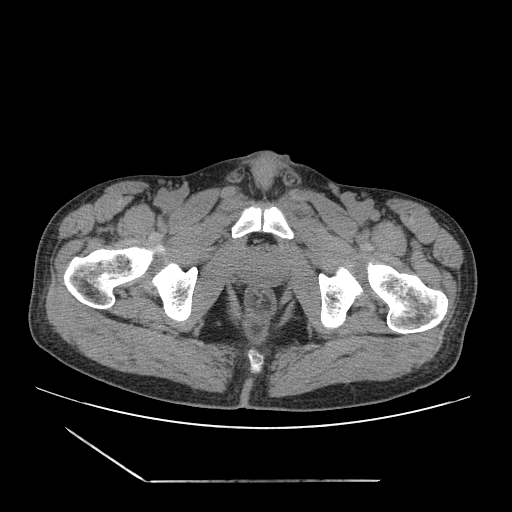

CT abdomen; axial view
Box edges are left/top/right/bottom in pixels. The annotated organs in this slice are: prostate/uterus at left=239, top=252, right=283, bottom=284.